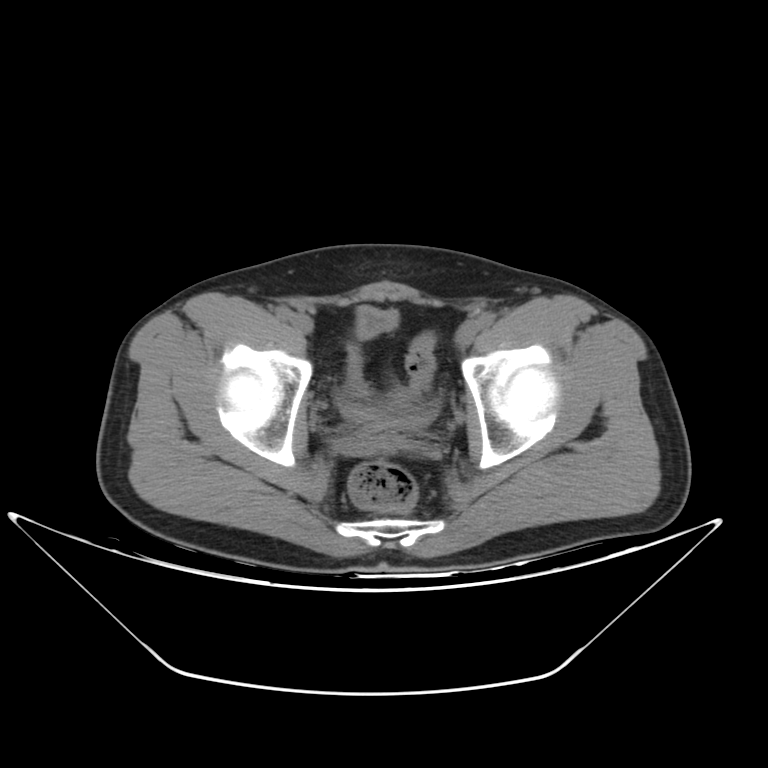

Computed tomography, abdomen — axial plane, index 30 — soft-tissue window (W 400 / L 40) — 53-year-old male patient
<organs><organ name="bladder" x1="338" y1="306" x2="441" y2="430"/></organs>